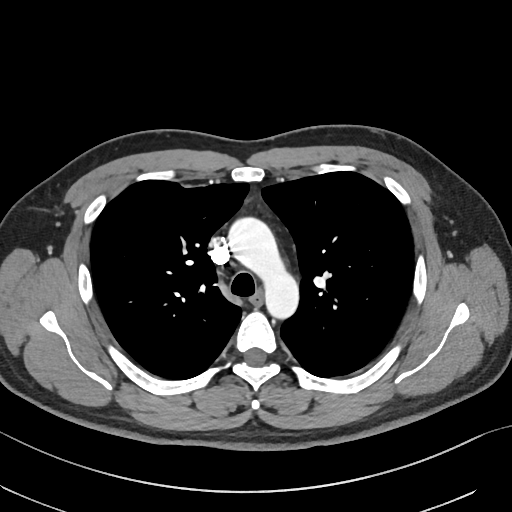
Chest-level slice from an abdominal CT that extends up into the chest. Axial slice 261/307. 512x512 px
At this level of the chest this dataset labels only the esophagus and the aorta, and each is boxed only where it is labeled; the heart and lungs are never labeled.
Bounding boxes in pixels, one row per box: x1, y1 is the top-left corner and x2, y2 the bottom-right.
| organ | x1 | y1 | x2 | y2 |
|---|---|---|---|---|
| aorta | 228 | 217 | 298 | 318 |
| esophagus | 250 | 291 | 263 | 305 |